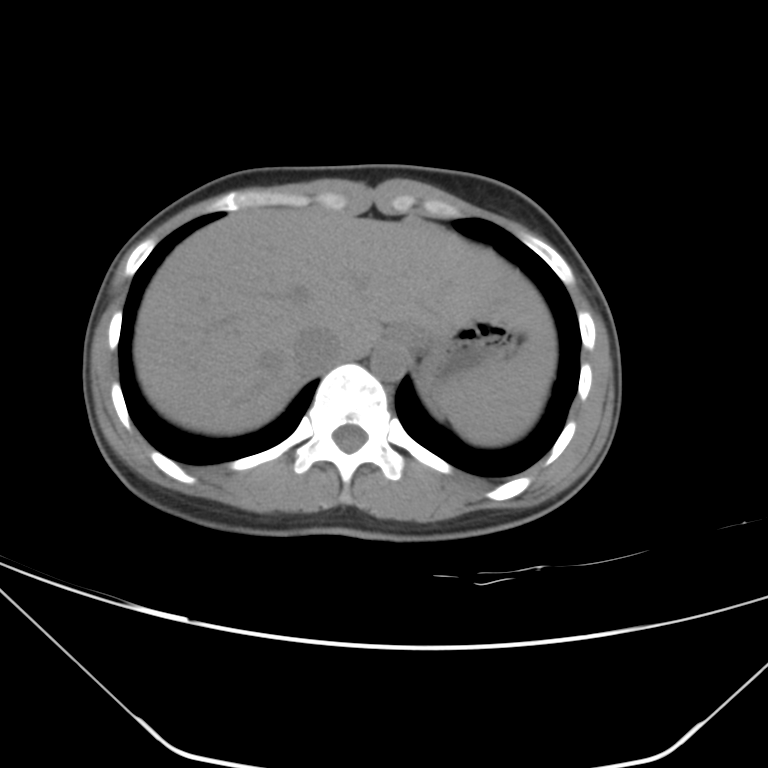

CT abdomen; Axial slice 67/68; soft-tissue window; 768x768 px; acquired on Brilliance16
<organs><organ name="spleen" x1="435" y1="343" x2="551" y2="446"/><organ name="liver" x1="133" y1="209" x2="555" y2="434"/><organ name="stomach" x1="385" y1="319" x2="517" y2="396"/><organ name="aorta" x1="369" y1="342" x2="408" y2="380"/><organ name="inferior vena cava" x1="293" y1="326" x2="344" y2="372"/></organs>